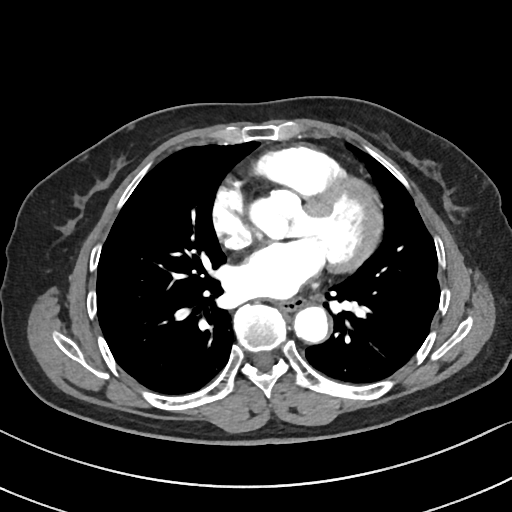
CT of the abdomen reaching into the lower chest, slice just above the liver and spleen · axial view · W/L 400/40 HU · SOMATOM Force scanner
The heart and lungs are never labeled in this dataset, so they have no box on this slice. Coordinates as <box>x1,y1,x2,y2</box> in pixels. 2 labeled organs on this slice — esophagus at <box>277,297,303,310</box>; aorta at <box>294,306,328,342</box>.